Abdominal CT; this slice is in the lower chest, just above the liver — axial view — W/L 400/40 HU
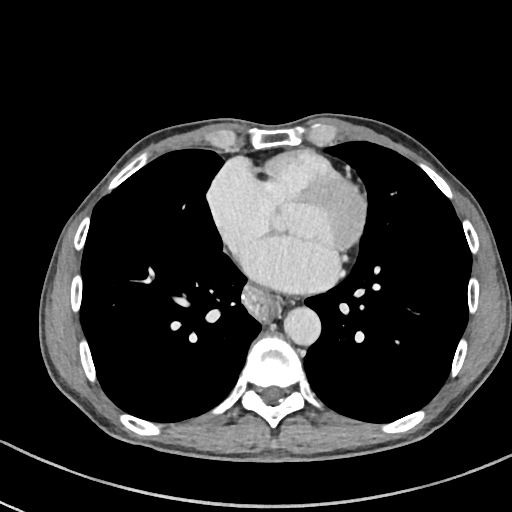 Of the structures in the chest, this dataset labels only the esophagus, the aorta and the inferior vena cava; the heart and lungs have no label.
{"organs":{"esophagus":[244,287,281,322],"aorta":[284,307,320,345]}}